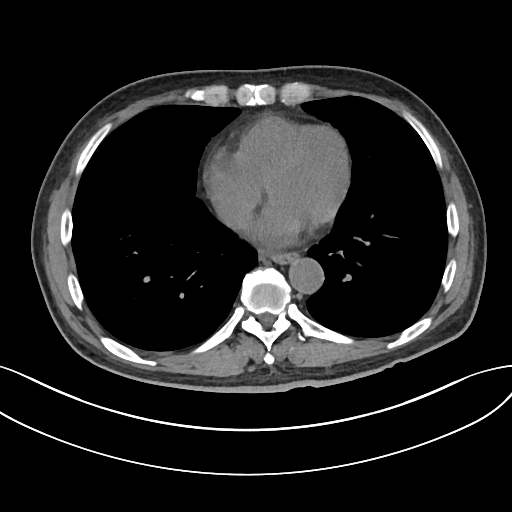

Lower-chest slice from an abdominal CT, just above the liver and spleen · axial view · soft-tissue window (W 400 / L 40) · 512x512 px · SOMATOM Force scanner
The heart and lungs are never labeled in this dataset, so they have no box on this slice.
{"organs":{"esophagus":[267,252,298,264],"aorta":[288,258,323,293],"inferior vena cava":[217,198,252,229]}}